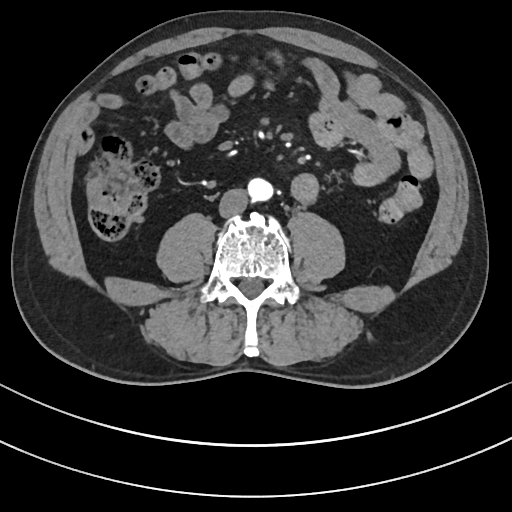
Computed tomography, abdomen · axial view · W/L 400/40 HU · 512x512 px
<organs><organ name="aorta" x1="247" y1="177" x2="273" y2="200"/><organ name="inferior vena cava" x1="219" y1="188" x2="248" y2="217"/></organs>